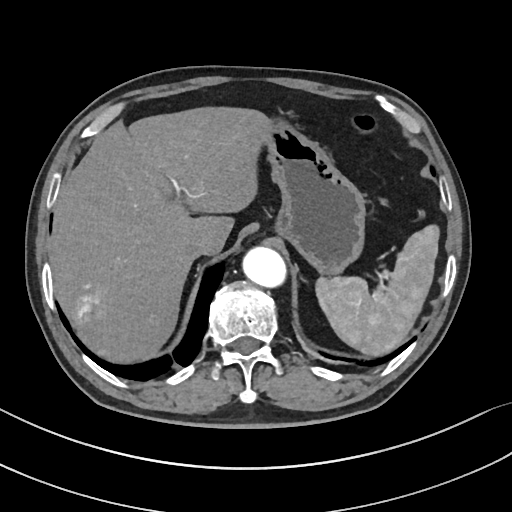 CT, abdomen/pelvis — axial view — abdomen soft-tissue window — 512x512 px
Boxes: x1 y1 x2 y2 (pixel coords, space-separated).
Organ bounding boxes:
- spleen: 317 223 440 356
- liver: 49 106 268 364
- stomach: 264 119 365 272
- aorta: 242 246 284 286
- inferior vena cava: 181 234 209 258